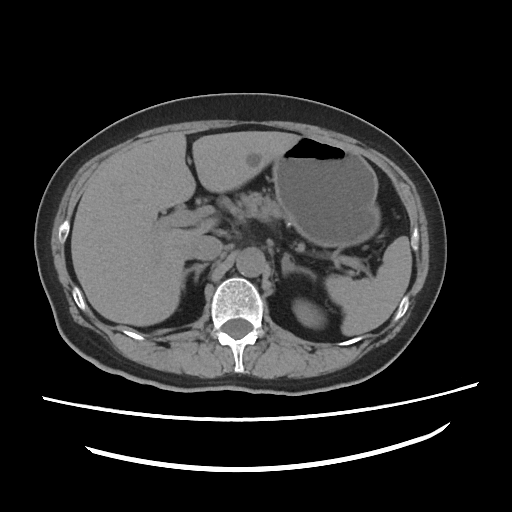

Computed tomography, abdomen · axial view · soft-tissue window · 512x512 px · scan has 14 labeled organs (a whole-scan count: organs this slice does not pass through have no box)
Bounding boxes in pixels, one row per box: x1, y1 is the top-left corner and x2, y2 the bottom-right.
| organ | x1 | y1 | x2 | y2 |
|---|---|---|---|---|
| left adrenal gland | 281 | 253 | 315 | 280 |
| pancreas | 229 | 192 | 284 | 220 |
| stomach | 272 | 136 | 380 | 248 |
| inferior vena cava | 185 | 235 | 222 | 260 |
| liver | 71 | 131 | 300 | 326 |
| right adrenal gland | 182 | 263 | 208 | 289 |
| spleen | 325 | 236 | 411 | 336 |
| left kidney | 295 | 304 | 319 | 324 |
| aorta | 236 | 248 | 265 | 277 |